Computed tomography, abdomen; axial view; soft-tissue window (W 400 / L 40); acquired on Aquilion ONE
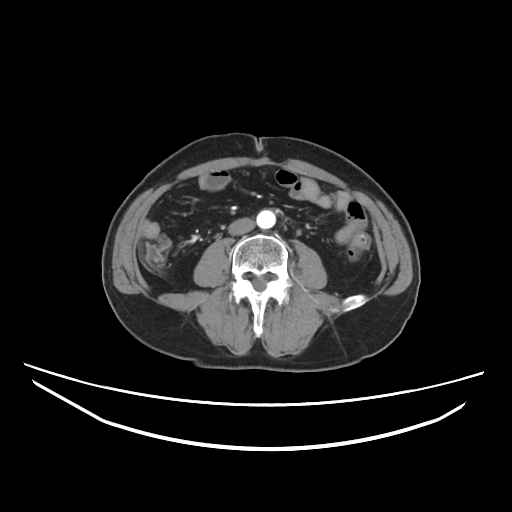

{"organs":{"aorta":[256,209,275,229],"inferior vena cava":[228,218,254,235]}}